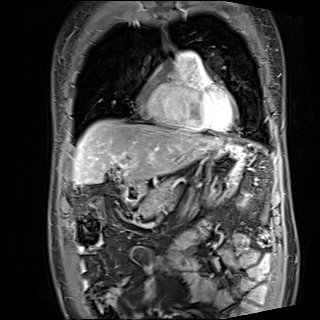 MRI, abdomen · Coronal slice 46/60 · 1st–99th percentile window · 320x320 px
<organs><organ name="liver" x1="73" y1="119" x2="222" y2="184"/><organ name="stomach" x1="140" y1="141" x2="246" y2="203"/><organ name="pancreas" x1="142" y1="179" x2="177" y2="216"/><organ name="duodenum" x1="123" y1="185" x2="141" y2="202"/></organs>